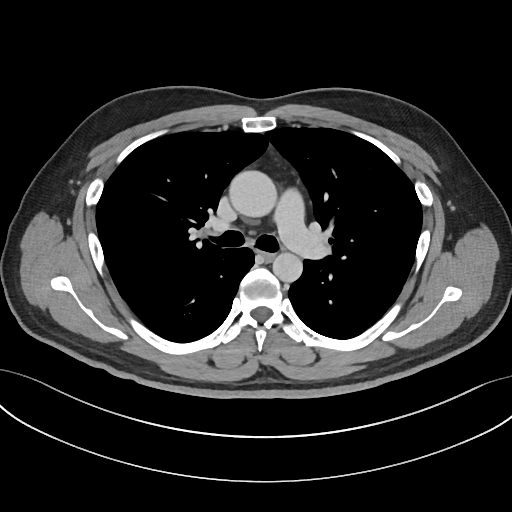

Chest-level slice from an abdominal CT that extends up into the chest · axial plane, index 288 · 512x512 px · acquired on SOMATOM Force · scan has 15 labeled organs (a whole-scan count: organs this slice does not pass through have no box)
At this level of the chest no structure but the esophagus and the aorta has a label in this dataset, and those two are boxed only where they are labeled.
Organ boxes in pixel coordinates; each row gives the top-left (x1, y1) and bottom-right (x2, y2) corners.
| organ | x1 | y1 | x2 | y2 |
|---|---|---|---|---|
| esophagus | 262 | 252 | 275 | 260 |
| aorta | 229 | 170 | 276 | 217 |
| aorta | 272 | 252 | 302 | 282 |